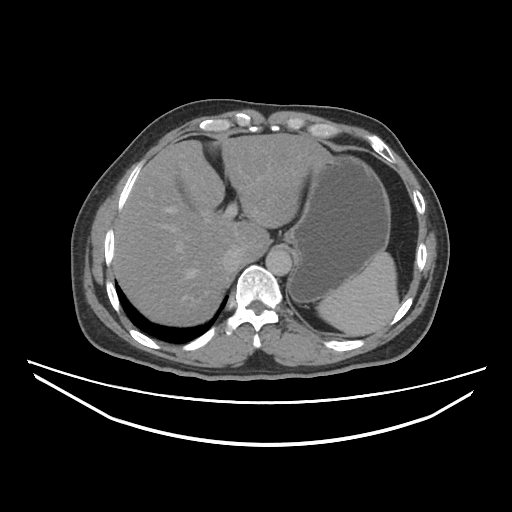
Abdominal CT. Axial slice 100/115. soft-tissue window. 55-year-old male patient
{"organs":{"spleen":[317,253,400,335],"liver":[113,132,329,325],"stomach":[283,153,390,303],"aorta":[265,251,292,275],"inferior vena cava":[221,249,241,269]}}